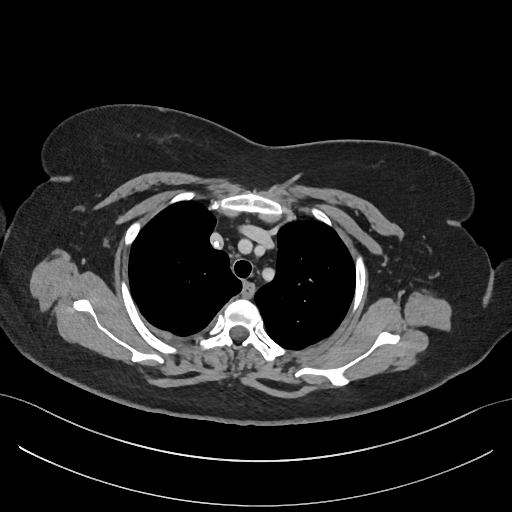
CT of the abdomen extending into the chest, slice through the chest · axial view · soft-tissue window · SOMATOM Force scanner
On a slice this high in the chest, this dataset labels only the esophagus and the aorta, and each is boxed only where it is labeled; the heart, lungs and other chest structures are not labeled. Bounding boxes as [x1, y1, x2, y2] in pixel coordinates. The annotated organs in this slice are: esophagus at [243, 284, 253, 296].